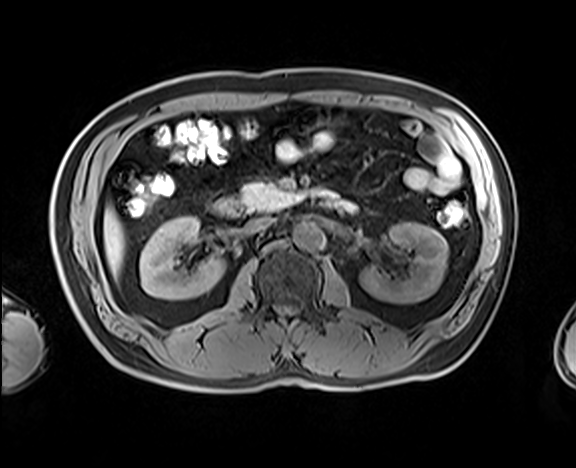

Magnetic resonance imaging, abdomen; axial view; 576x468 px; Prisma scanner
Box edges are left/top/right/bottom in pixels.
Organ bounding boxes:
- pancreas: left=240, top=182, right=336, bottom=211
- right kidney: left=139, top=217, right=225, bottom=299
- inferior vena cava: left=245, top=217, right=275, bottom=233
- aorta: left=293, top=222, right=325, bottom=249
- liver: left=103, top=207, right=124, bottom=277
- left kidney: left=360, top=222, right=448, bottom=303
- duodenum: left=213, top=198, right=356, bottom=217